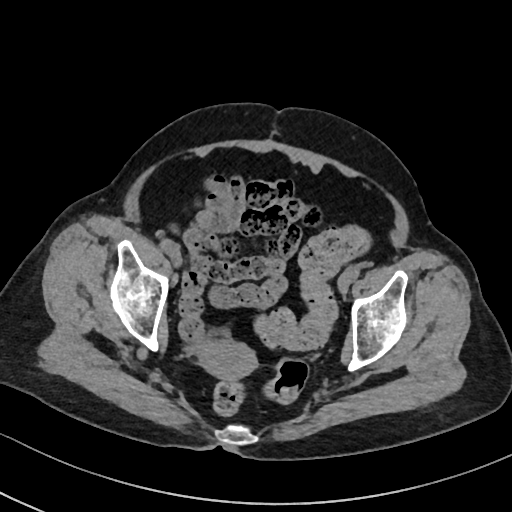 CT, abdomen/pelvis · axial view
{"organs":{"prostate/uterus":[200,340,256,379]}}